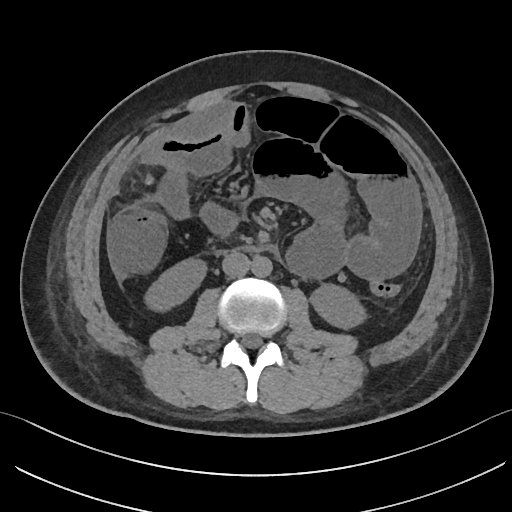
CT abdomen. axial view
Each box given as x1,y1,x2,y2.
Organ bounding boxes:
- right kidney: x1=145, y1=258, x2=206, y2=311
- left kidney: x1=310, y1=284, x2=366, y2=328
- aorta: x1=251, y1=256, x2=272, y2=276
- inferior vena cava: x1=222, y1=251, x2=250, y2=277